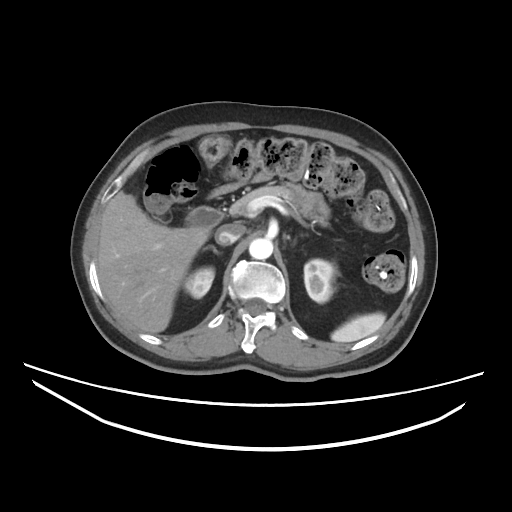

Abdominal CT. axial view. 15 organs annotated in this scan (that count is for the whole scan; organs this slice misses have no box)
Box edges are left/top/right/bottom in pixels.
Organ bounding boxes:
- spleen: left=331, top=312, right=385, bottom=342
- right kidney: left=183, top=266, right=214, bottom=298
- left kidney: left=304, top=259, right=336, bottom=303
- liver: left=97, top=191, right=209, bottom=332
- aorta: left=249, top=238, right=272, bottom=259
- inferior vena cava: left=215, top=223, right=245, bottom=245
- pancreas: left=229, top=185, right=295, bottom=216
- right adrenal gland: left=203, top=246, right=218, bottom=253
- duodenum: left=186, top=206, right=223, bottom=228